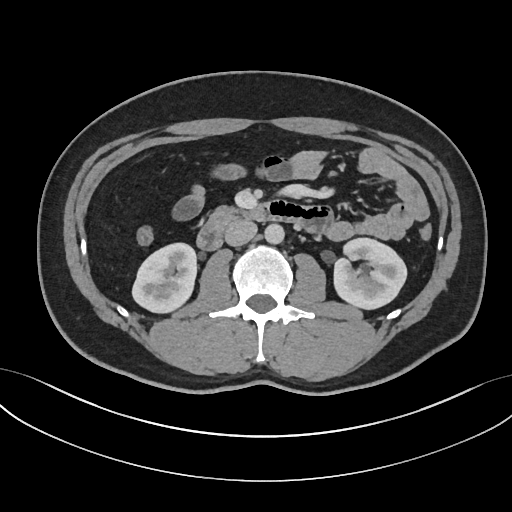

Computed tomography, abdomen · Axial slice 158/345
Coordinates as <box>x1,y1,x2,y2</box> in pixels. The annotated organs in this slice are: right kidney at <box>132,243,196,314</box>, left kidney at <box>333,238,406,310</box>, aorta at <box>264,224,284,244</box>, inferior vena cava at <box>224,219,256,246</box>, pancreas at <box>213,204,241,213</box>, duodenum at <box>195,200,332,250</box>.